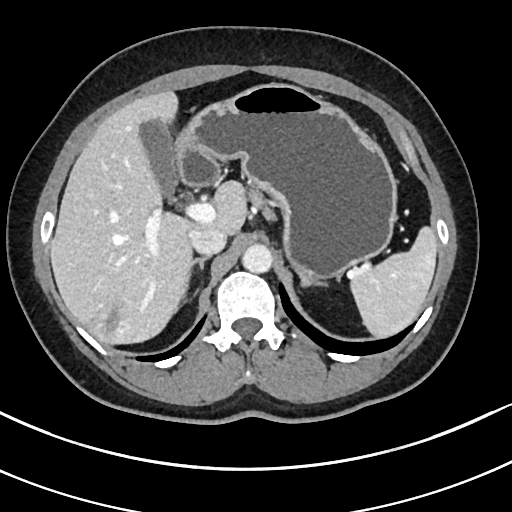

CT abdomen — Axial slice 160/206 — abdomen soft-tissue window
<organs><organ name="spleen" x1="349" y1="226" x2="436" y2="337"/><organ name="gall bladder" x1="140" y1="120" x2="177" y2="194"/><organ name="liver" x1="50" y1="91" x2="247" y2="344"/><organ name="stomach" x1="176" y1="83" x2="397" y2="277"/><organ name="aorta" x1="242" y1="244" x2="272" y2="273"/><organ name="inferior vena cava" x1="189" y1="226" x2="226" y2="255"/><organ name="pancreas" x1="248" y1="192" x2="274" y2="218"/><organ name="right adrenal gland" x1="185" y1="256" x2="209" y2="296"/><organ name="left adrenal gland" x1="298" y1="272" x2="326" y2="287"/></organs>